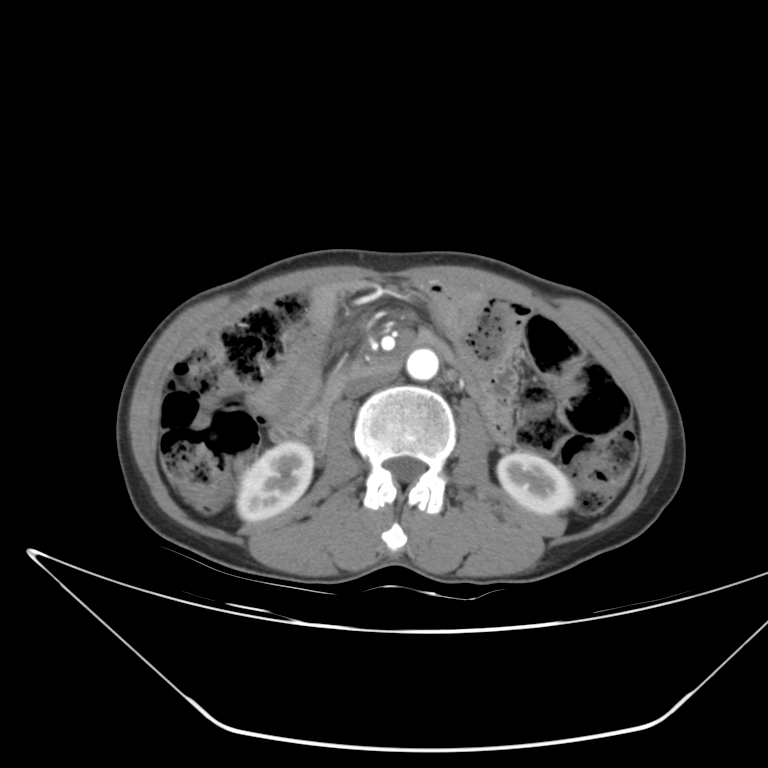

Computed tomography, abdomen — axial view — soft-tissue window — scan has 13 labeled organs (that count is for the whole scan; organs this slice misses have no box)
Coordinates as <box>x1,y1,x2,y2</box> in pixels.
Organ bounding boxes:
- left kidney: <box>497,451,574,514</box>
- inferior vena cava: <box>346,370,396,397</box>
- aorta: <box>406,348,438,380</box>
- right kidney: <box>237,441,313,521</box>
- duodenum: <box>270,352,403,449</box>